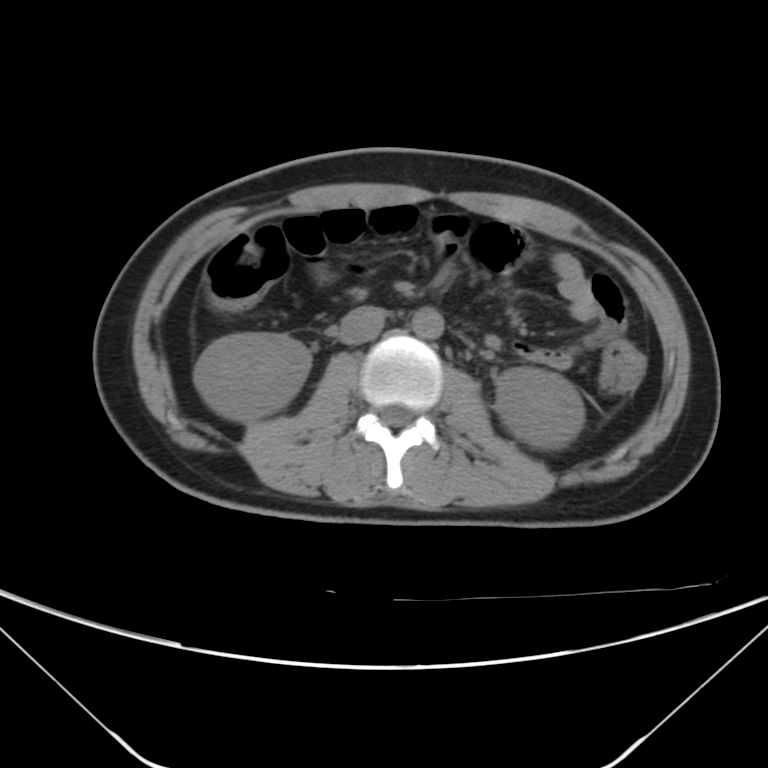

Computed tomography, abdomen — axial view — Brilliance16 scanner
Each box given as x1,y1,x2,y2.
left kidney: x1=496, y1=368, x2=585, y2=448
aorta: x1=412, y1=308, x2=443, y2=339
right kidney: x1=194, y1=332, x2=310, y2=422
inferior vena cava: x1=338, y1=306, x2=385, y2=344